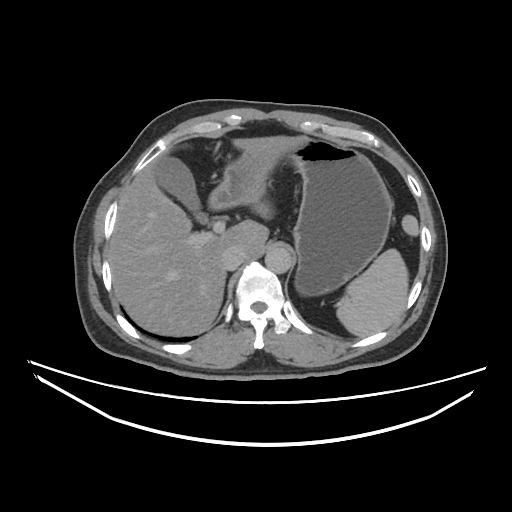

Abdominal CT · axial view · soft-tissue window (W 400 / L 40)
Boxes: x1 y1 x2 y2 (pixel coords, space-separated). 6 labeled organs on this slice — spleen at 336 249 408 338; gall bladder at 155 156 203 218; liver at 112 135 311 335; stomach at 209 140 392 294; aorta at 265 247 293 273; inferior vena cava at 221 247 243 270.